Abdominal CT; this slice is in the lower chest, just above the liver · axial view · 51-year-old male patient
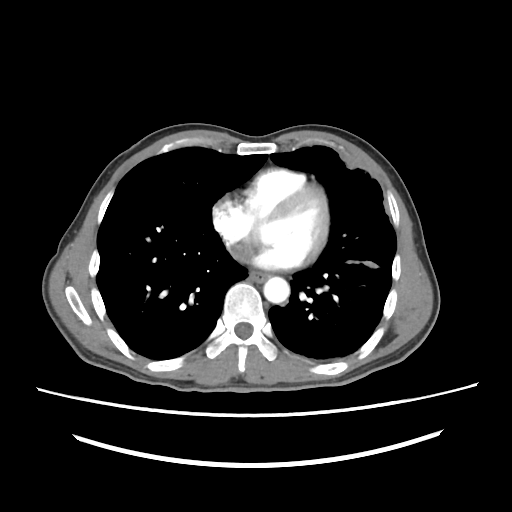

No part of the heart or lungs is labeled in this dataset, so neither has a box here.
{"organs":{"esophagus":[249,271,267,279],"aorta":[264,277,290,302],"inferior vena cava":[235,255,238,258]}}